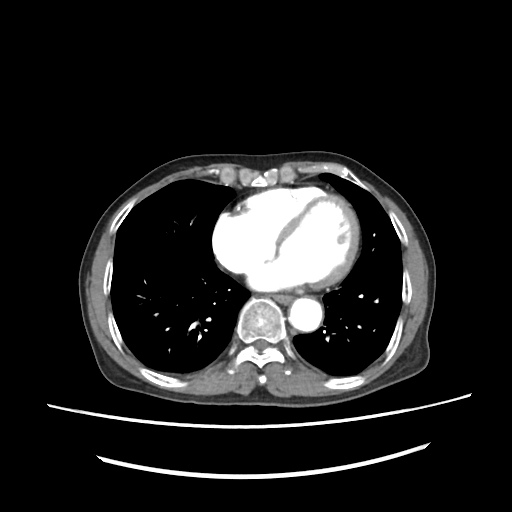 CT of the abdomen reaching into the lower chest, slice just above the liver and spleen. axial view. Aquilion ONE scanner
No part of the heart or lungs is labeled in this dataset, so neither has a box here.
Boxes: x1 y1 x2 y2 (pixel coords, space-separated).
esophagus: 272 294 290 301
aorta: 286 297 323 331